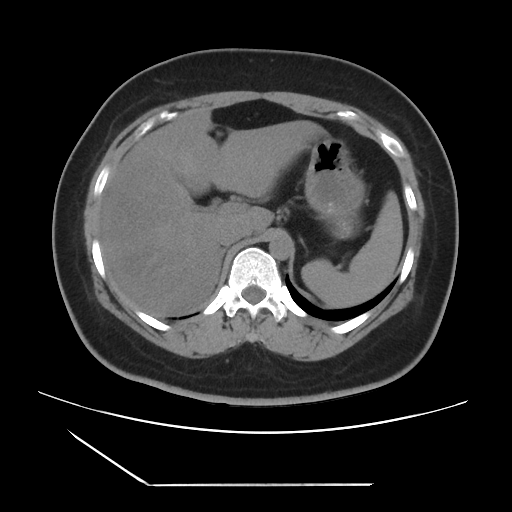

CT abdomen; Axial slice 69/88; abdomen soft-tissue window; 512x512 px; SOMATOM Force scanner; 15 organs annotated in this scan (counted over the whole 3D scan, not this slice; an organ is boxed only where this slice passes through it)
Boxes are (x1, y1, x2, y2) in pixels. Labeled organs on this slice: spleen at (301, 191, 402, 307), liver at (99, 108, 327, 317), stomach at (305, 138, 365, 238), aorta at (269, 233, 293, 259), inferior vena cava at (217, 222, 248, 246), right adrenal gland at (222, 249, 225, 255).